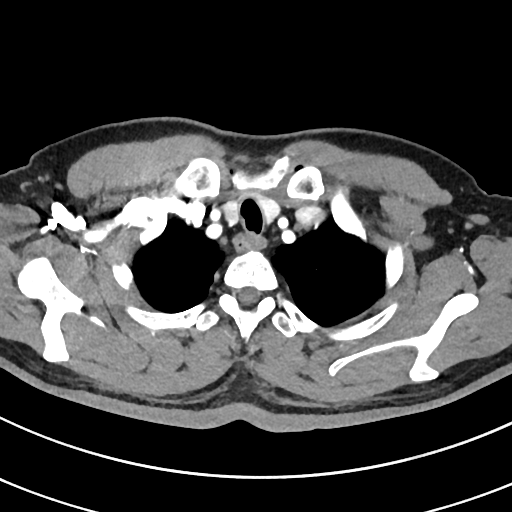

Chest-level slice from an abdominal CT that extends up into the chest. axial view. soft-tissue window (W 400 / L 40). 512x512 px. SOMATOM Force scanner
On a slice this high in the chest, this dataset labels only the esophagus and the aorta, and each is boxed only where it is labeled; the heart, lungs and other chest structures are not labeled. Each box given as x1,y1,x2,y2. Labeled organs on this slice: esophagus at x1=234, y1=232, x2=265, y2=251.